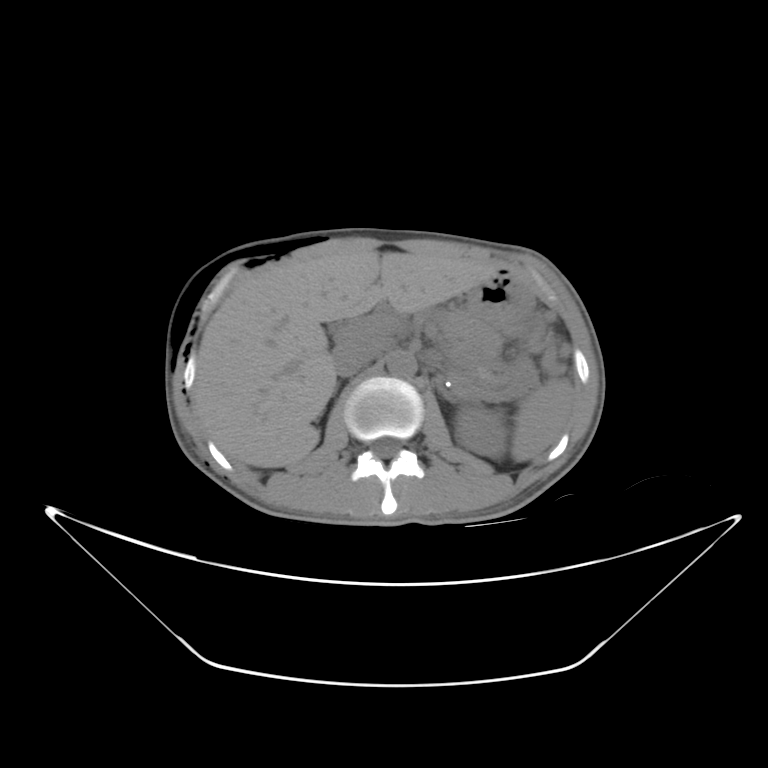
Computed tomography, abdomen · axial view · soft-tissue window (W 400 / L 40) · scan has 15 labeled organs (counted over the whole 3D scan, not this slice; an organ is boxed only where this slice passes through it)
Organ boxes in pixel coordinates; each row gives the top-left (x1, y1) and bottom-right (x2, y2) corners.
| organ | x1 | y1 | x2 | y2 |
|---|---|---|---|---|
| spleen | 510 | 381 | 575 | 460 |
| left kidney | 454 | 404 | 507 | 456 |
| liver | 195 | 249 | 501 | 467 |
| stomach | 467 | 271 | 532 | 324 |
| aorta | 384 | 353 | 415 | 377 |
| inferior vena cava | 329 | 338 | 383 | 374 |
| pancreas | 436 | 310 | 501 | 360 |
| right adrenal gland | 315 | 382 | 340 | 421 |